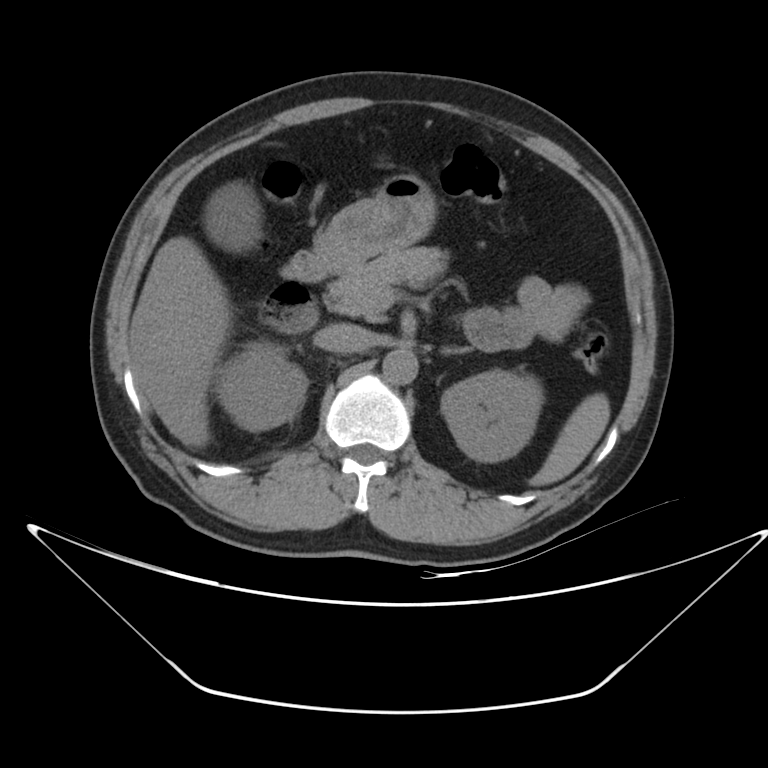
CT abdomen · Axial slice 68/87 · W/L 400/40 HU · 768x768 px · Brilliance16 scanner
<organs><organ name="left kidney" x1="441" y1="370" x2="543" y2="462"/><organ name="right kidney" x1="216" y1="339" x2="306" y2="430"/><organ name="pancreas" x1="327" y1="248" x2="446" y2="319"/><organ name="gall bladder" x1="206" y1="182" x2="261" y2="251"/><organ name="aorta" x1="383" y1="348" x2="418" y2="384"/><organ name="left adrenal gland" x1="441" y1="346" x2="469" y2="354"/><organ name="duodenum" x1="263" y1="250" x2="330" y2="333"/><organ name="inferior vena cava" x1="316" y1="323" x2="372" y2="352"/><organ name="spleen" x1="529" y1="392" x2="610" y2="486"/><organ name="liver" x1="128" y1="237" x2="231" y2="446"/><organ name="stomach" x1="316" y1="173" x2="436" y2="272"/></organs>